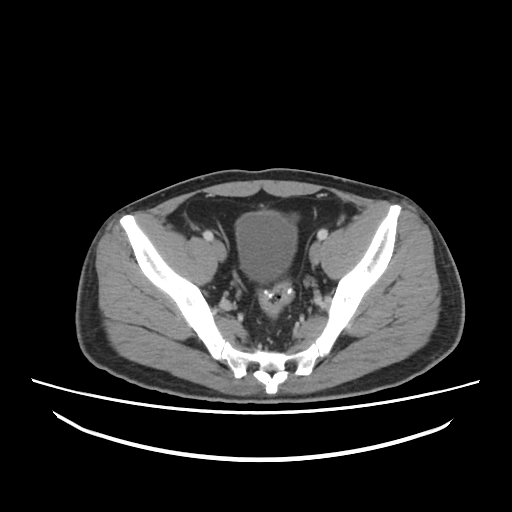 Computed tomography, abdomen — axial plane, index 28 — 512x512 px
Boxes: x1:y1:x2:y2 in pixels.
bladder: 236:211:296:281